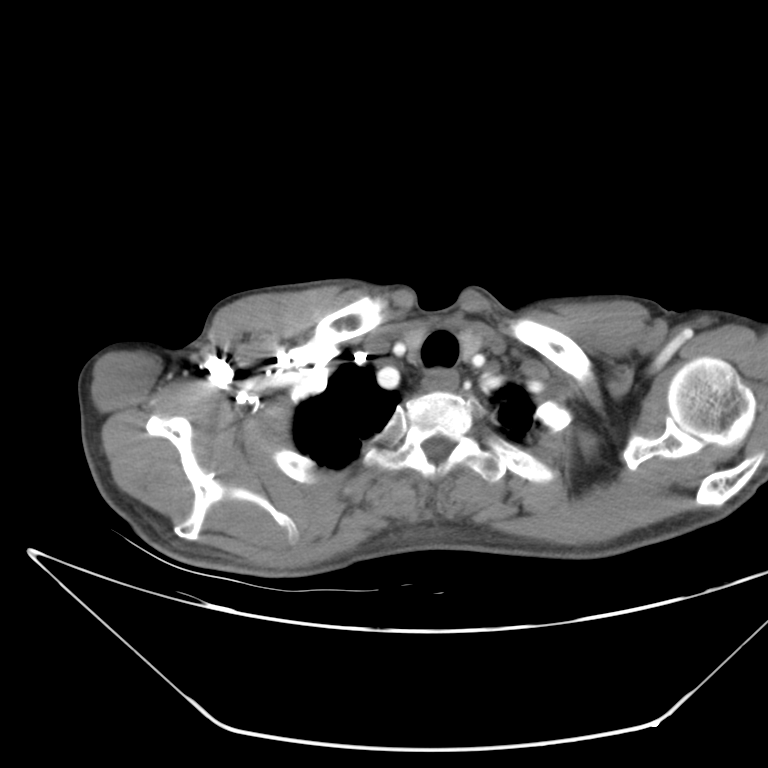

Abdominal CT reaching into the chest; this slice is in the chest — Axial slice 99/103 — W/L 400/40 HU — 768x768 px — acquired on Brilliance16
At this level of the chest this dataset labels only the esophagus and the aorta, and each is boxed only where it is labeled; the heart and lungs are never labeled.
<organs><organ name="esophagus" x1="424" y1="369" x2="457" y2="392"/></organs>